CT abdomen · axial view · SOMATOM Force scanner
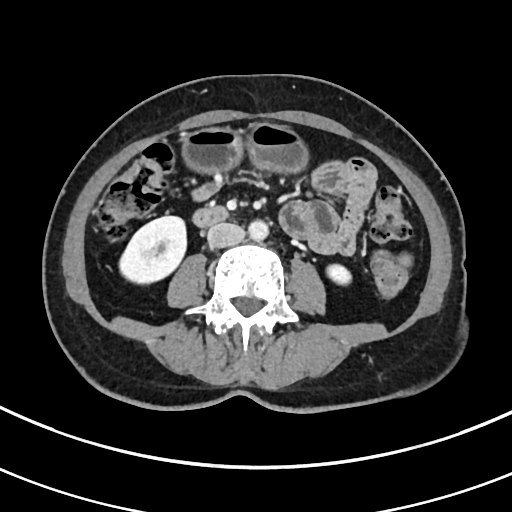

{"organs":{"right kidney":[119,216,186,283],"left kidney":[327,264,351,284],"stomach":[182,123,306,173],"aorta":[248,220,268,241],"inferior vena cava":[207,222,245,247],"duodenum":[192,206,227,227]}}